Abdominal CT · axial view · 512x512 px
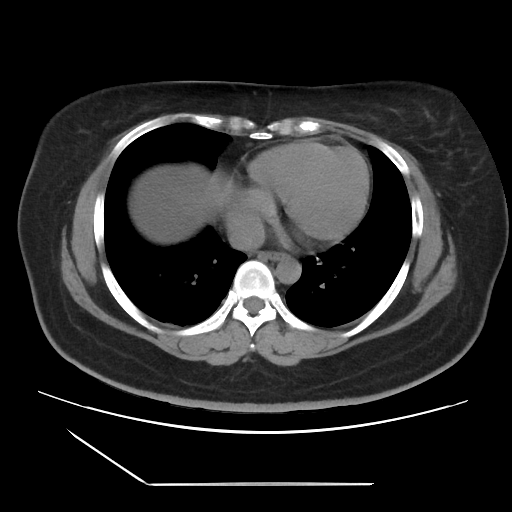 <organs><organ name="esophagus" x1="259" y1="251" x2="286" y2="260"/><organ name="liver" x1="128" y1="163" x2="232" y2="244"/><organ name="aorta" x1="276" y1="256" x2="301" y2="283"/><organ name="inferior vena cava" x1="228" y1="218" x2="264" y2="251"/></organs>